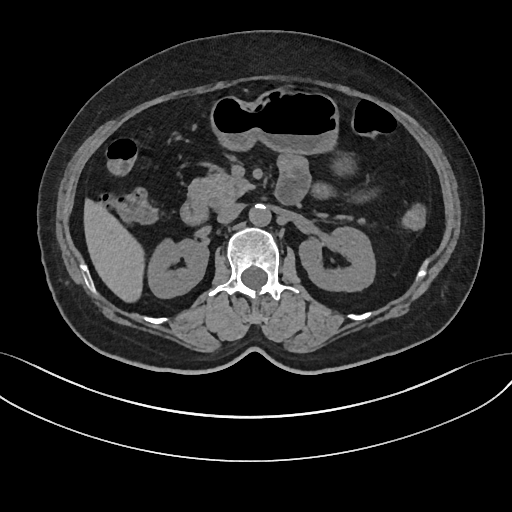

Computed tomography, abdomen; Axial slice 134/207
Boxes: x1 y1 x2 y2 (pixel coords, space-separated).
Organ bounding boxes:
- right kidney: 147 238 208 298
- left kidney: 299 227 375 291
- liver: 83 198 144 302
- stomach: 210 88 354 174
- aorta: 249 204 271 225
- inferior vena cava: 217 203 243 223
- pancreas: 188 168 362 222
- duodenum: 180 176 304 224